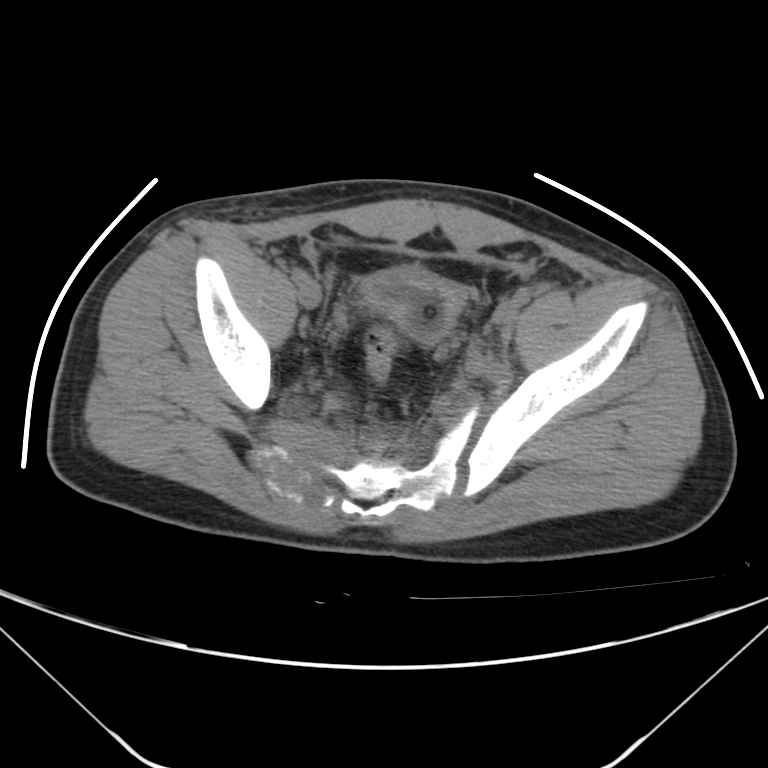 Computed tomography, abdomen · axial view · 15 organs annotated in this scan (that count is for the whole scan; organs this slice misses have no box)
<organs><organ name="bladder" x1="361" y1="269" x2="463" y2="342"/></organs>